Chest-level slice from an abdominal CT that extends up into the chest — axial view — W/L 400/40 HU — 512x512 px
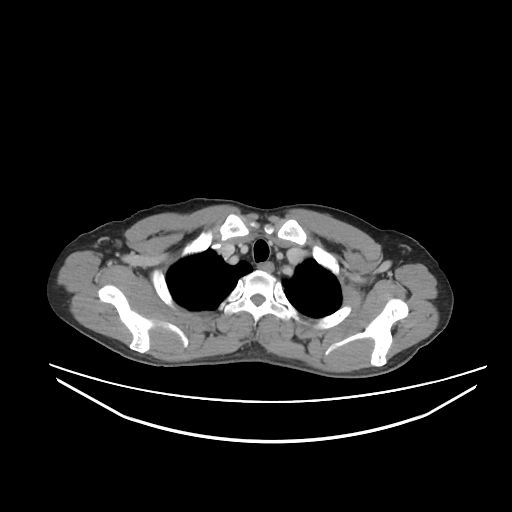

At this level of the chest no structure but the esophagus and the aorta has a label in this dataset, and those two are boxed only where they are labeled. Boxes: x1:y1:x2:y2 in pixels. The annotated organs in this slice are: esophagus at 257:262:274:271.